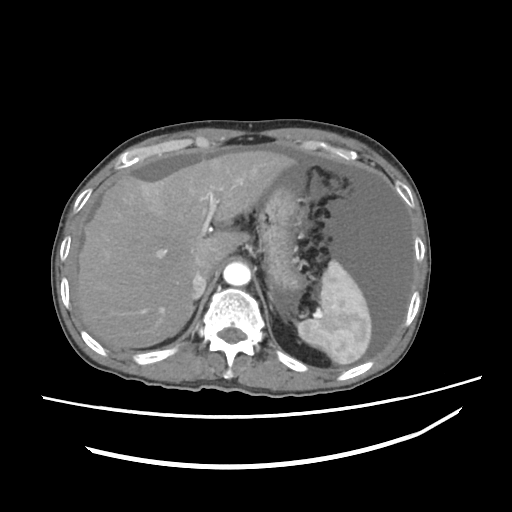 CT abdomen; axial plane, index 81; soft-tissue window; 50-year-old male patient; scan has 15 labeled organs (a whole-scan count: organs this slice does not pass through have no box)
<organs><organ name="spleen" x1="298" y1="260" x2="370" y2="364"/><organ name="liver" x1="76" y1="150" x2="293" y2="346"/><organ name="stomach" x1="259" y1="187" x2="305" y2="297"/><organ name="aorta" x1="224" y1="261" x2="250" y2="285"/><organ name="inferior vena cava" x1="191" y1="269" x2="208" y2="297"/></organs>